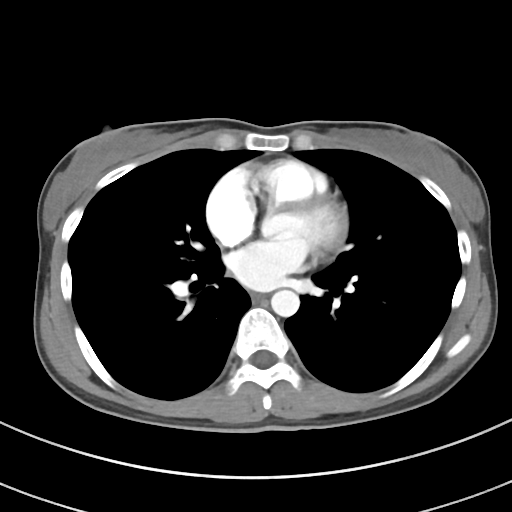 Abdominal CT reaching into the chest; this slice is in the chest. axial view. 512x512 px
At this level of the chest no structure but the esophagus and the aorta has a label in this dataset, and those two are boxed only where they are labeled.
Boxes: x1:y1:x2:y2 in pixels.
Organ bounding boxes:
- esophagus: 251:293:263:300
- aorta: 271:289:299:316